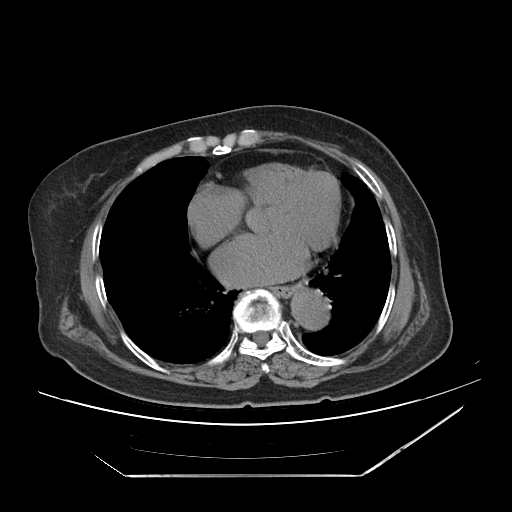 CT of the abdomen reaching into the lower chest, slice just above the liver and spleen · axial view · 512x512 px
The heart and lungs are never labeled in this dataset, so they have no box on this slice. Boxes are (x1, y1, x2, y2) in pixels. 2 labeled organs on this slice — esophagus at (273, 286, 298, 297); aorta at (290, 288, 330, 330).